Computed tomography, abdomen — axial view — W/L 400/40 HU — SOMATOM Force scanner
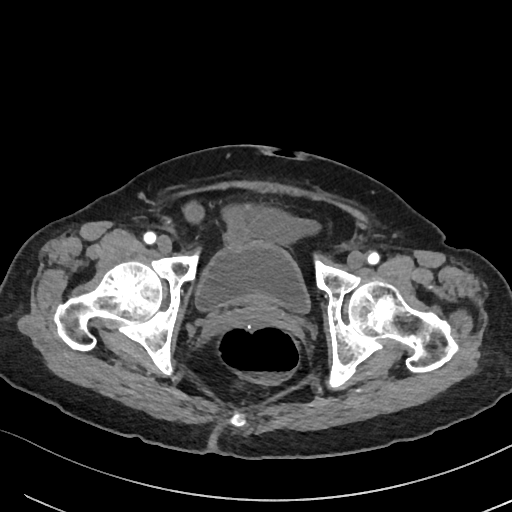
{"organs":{"bladder":[195,241,310,313],"prostate/uterus":[235,302,281,323]}}